Abdominal CT — axial view — W/L 400/40 HU — SOMATOM Force scanner
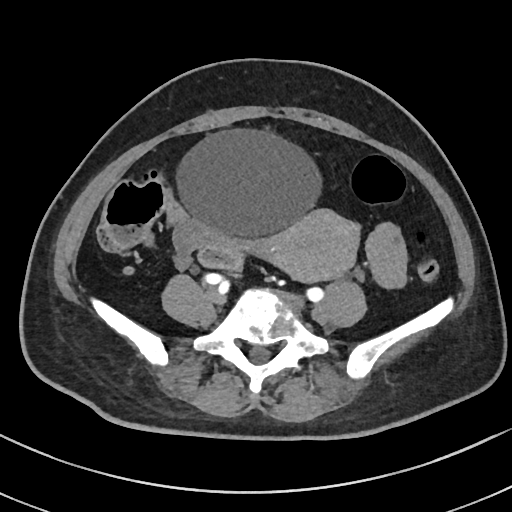 Each box given as x1,y1,x2,y2.
bladder: x1=177, y1=130, x2=321, y2=237
prostate/uterus: x1=249, y1=209, x2=361, y2=282